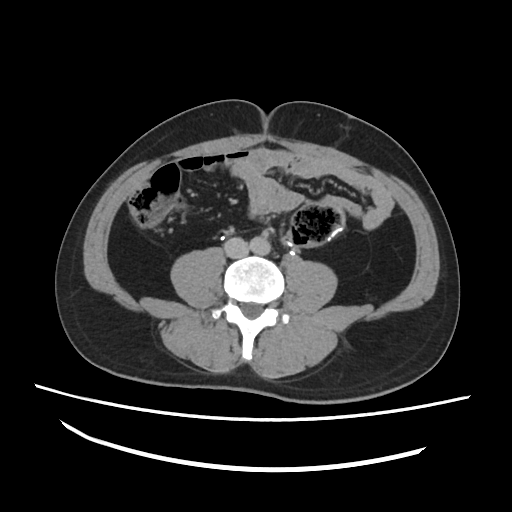 CT abdomen. Axial slice 48/97. soft-tissue window
Organ boxes in pixel coordinates; each row gives the top-left (x1, y1) and bottom-right (x2, y2) corners.
| organ | x1 | y1 | x2 | y2 |
|---|---|---|---|---|
| aorta | 249 | 238 | 270 | 254 |
| inferior vena cava | 226 | 236 | 248 | 258 |